CT, abdomen/pelvis; axial view; 15 organs annotated in this scan (a whole-scan count: organs this slice does not pass through have no box)
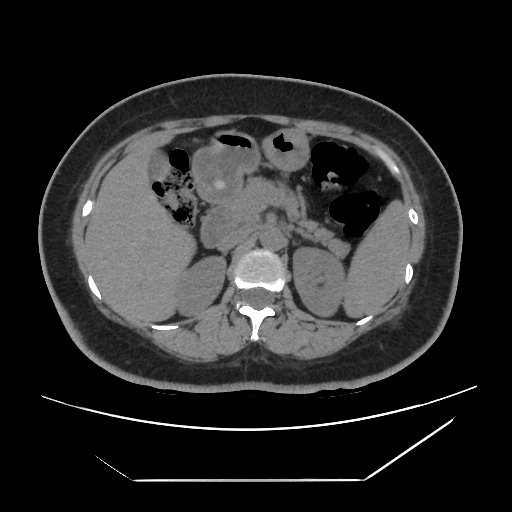

{"organs":{"spleen":[344,201,409,317],"right kidney":[173,256,226,316],"left kidney":[293,247,346,316],"gall bladder":[149,151,165,178],"liver":[85,134,192,321],"stomach":[192,128,308,203],"aorta":[260,228,283,249],"inferior vena cava":[216,229,249,250],"pancreas":[224,178,349,256],"left adrenal gland":[299,231,313,239],"duodenum":[199,205,229,248]}}